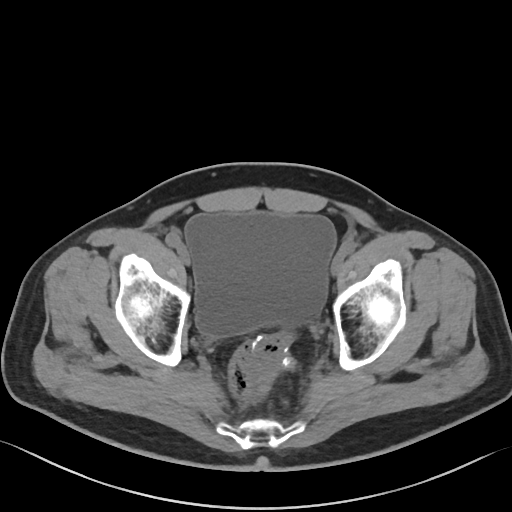

CT abdomen — axial plane, index 21 — abdomen soft-tissue window — 512x512 px
Box edges are left/top/right/bottom in pixels.
Organ bounding boxes:
- bladder: left=185, top=211, right=336, bottom=336